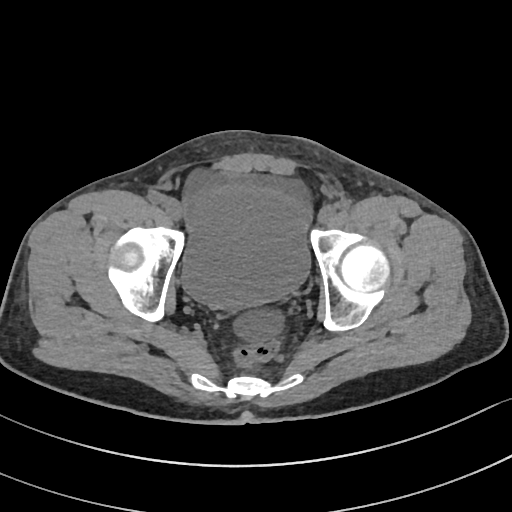
CT abdomen · axial view
Boxes: x1:y1:x2:y2 in pixels.
bladder: 181:181:310:308